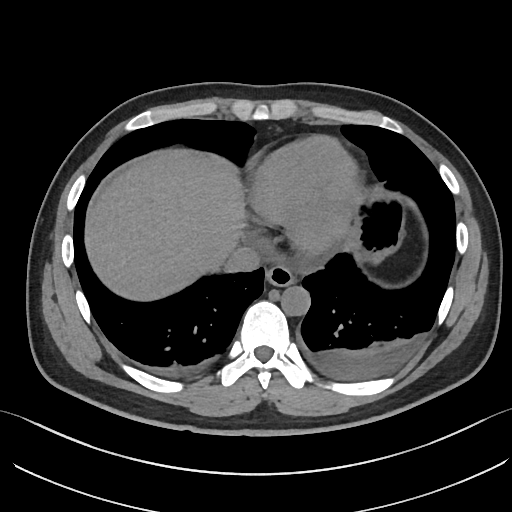 CT abdomen. axial view. 512x512 px
Boxes: x1 y1 x2 y2 (pixel coords, space-separated). 5 labeled organs on this slice — esophagus at 266 264 296 285; liver at 84 150 246 299; stomach at 347 193 405 267; aorta at 280 286 310 315; inferior vena cava at 223 246 259 274.